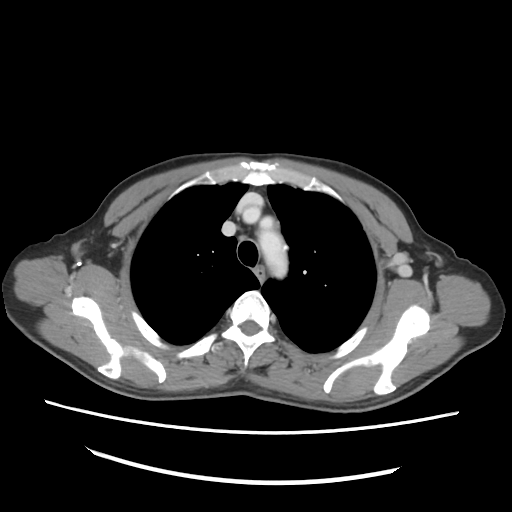 CT of the abdomen extending into the chest, slice through the chest. axial view. 512x512 px. 61-year-old male patient. 15 organs annotated in this scan (that count is for the whole scan; organs this slice misses have no box)
On a slice this high in the chest, this dataset labels only the esophagus and the aorta, and each is boxed only where it is labeled; the heart, lungs and other chest structures are not labeled. Boxes: x1:y1:x2:y2 in pixels. The annotated organs in this slice are: aorta at 259:227:288:277, esophagus at 253:265:265:283.